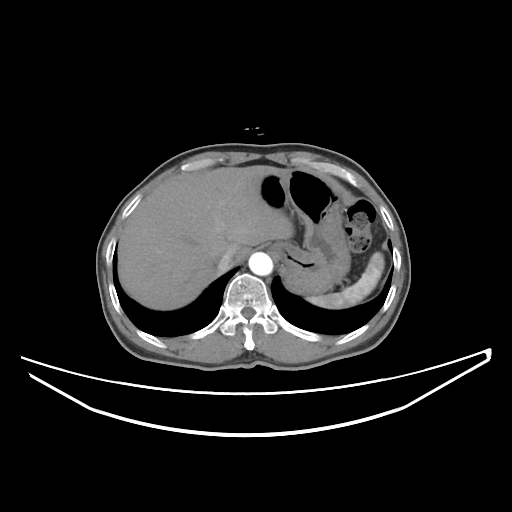

CT, abdomen/pelvis. axial view
Box edges are left/top/right/bottom in pixels.
Organ bounding boxes:
- spleen: left=307, top=252, right=384, bottom=308
- liver: left=118, top=165, right=293, bottom=309
- stomach: left=259, top=169, right=350, bottom=294
- aorta: left=249, top=252, right=272, bottom=275
- inferior vena cava: left=212, top=253, right=234, bottom=271